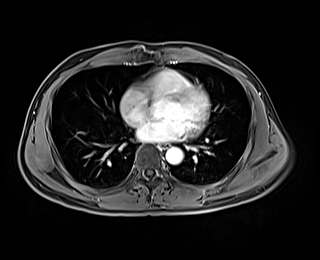 Lower-chest slice from an abdominal MRI, just above the liver and spleen · axial view · percentile-normalized
No part of the heart or lungs is labeled in this dataset, so neither has a box here.
Organ boxes in pixel coordinates; each row gives the top-left (x1, y1) and bottom-right (x2, y2) corners.
| organ | x1 | y1 | x2 | y2 |
|---|---|---|---|---|
| esophagus | 160 | 143 | 169 | 148 |
| aorta | 166 | 147 | 183 | 164 |